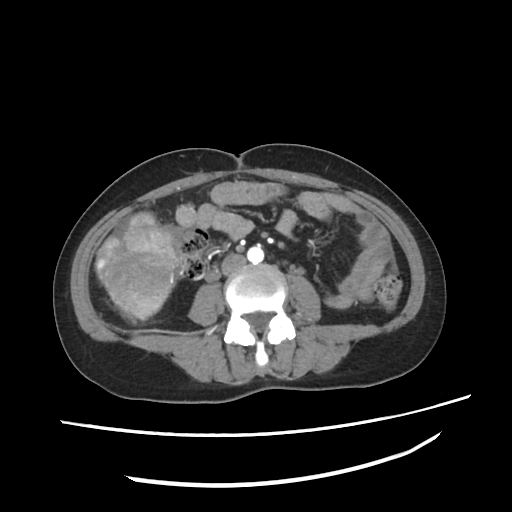

Abdominal CT — axial view — 512x512 px — 47-year-old female patient — 15 organs annotated in this scan (counted over the whole 3D scan, not this slice; an organ is boxed only where this slice passes through it)
Box edges are left/top/right/bottom in pixels.
aorta: left=247, top=247, right=263, bottom=264
inferior vena cava: left=222, top=254, right=246, bottom=274